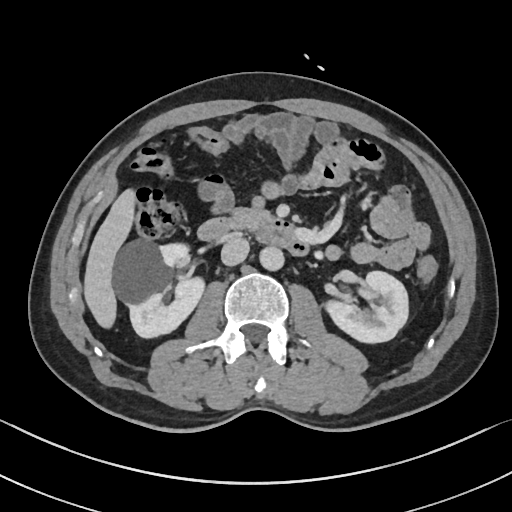

CT, abdomen/pelvis — axial view — SOMATOM Force scanner
<organs><organ name="right kidney" x1="114" y1="240" x2="206" y2="338"/><organ name="left kidney" x1="325" y1="271" x2="407" y2="343"/><organ name="liver" x1="82" y1="187" x2="134" y2="330"/><organ name="aorta" x1="259" y1="247" x2="285" y2="271"/><organ name="inferior vena cava" x1="221" y1="237" x2="249" y2="266"/><organ name="pancreas" x1="227" y1="207" x2="273" y2="232"/><organ name="duodenum" x1="197" y1="218" x2="310" y2="256"/></organs>